CT, abdomen/pelvis · Axial slice 167/232 · acquired on SOMATOM Force · 15 organs annotated in this scan (a whole-scan count: organs this slice does not pass through have no box)
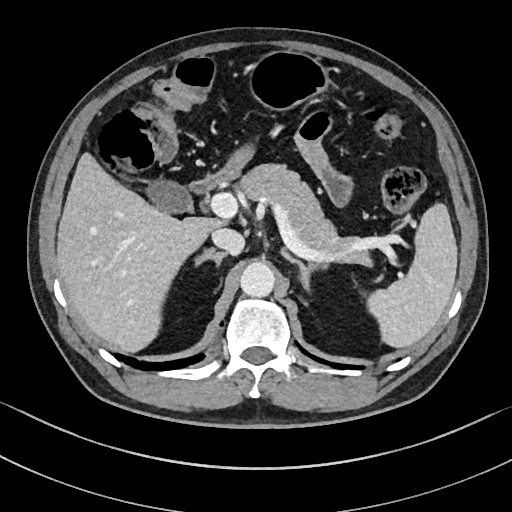 Boxes are (x1, y1, x2, y2) in pixels.
Organ bounding boxes:
- right adrenal gland: (194, 248, 226, 262)
- inferior vena cava: (211, 229, 244, 255)
- aorta: (240, 259, 274, 297)
- duodenum: (189, 149, 252, 194)
- liver: (57, 154, 219, 351)
- spleen: (367, 202, 457, 347)
- left adrenal gland: (281, 247, 327, 290)
- pancreas: (241, 164, 373, 266)
- gall bladder: (147, 183, 194, 212)
- stomach: (250, 51, 328, 109)